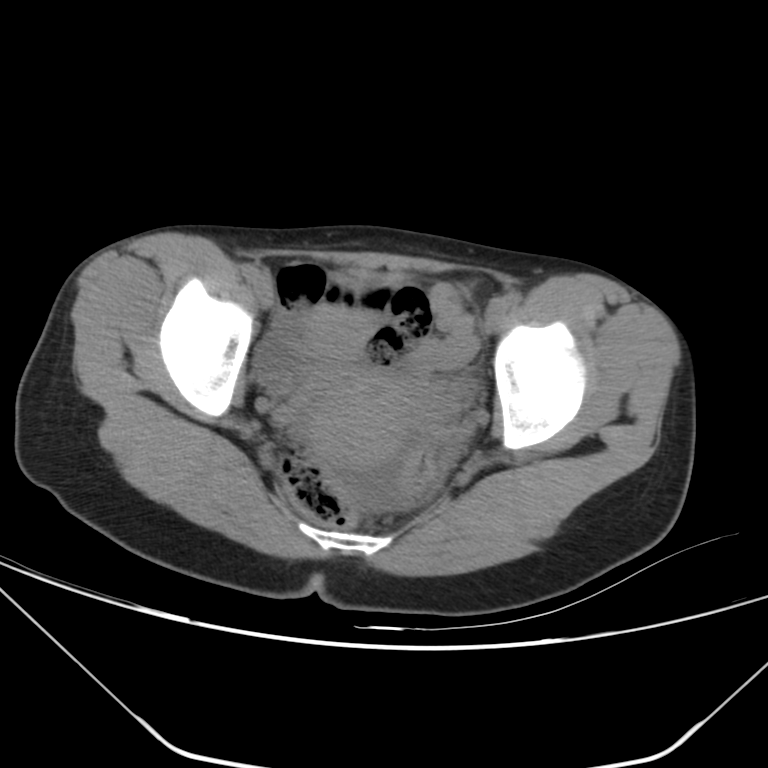
CT abdomen; axial view; soft-tissue window (W 400 / L 40); scan has 15 labeled organs (counted over the whole 3D scan, not this slice; an organ is boxed only where this slice passes through it)
Bounding boxes as [x1, y1, x2, y2] in pixel coordinates. Labeled organs on this slice: prostate/uterus at [305, 366, 427, 472].